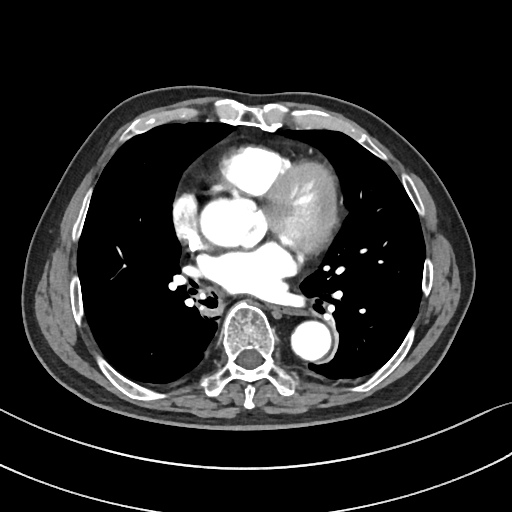

Abdominal CT reaching into the chest; this slice is in the chest — axial view — 512x512 px
On a slice this high in the chest, this dataset labels only the esophagus and the aorta, and each is boxed only where it is labeled; the heart, lungs and other chest structures are not labeled.
<organs><organ name="aorta" x1="291" y1="321" x2="331" y2="360"/><organ name="esophagus" x1="274" y1="307" x2="297" y2="314"/></organs>